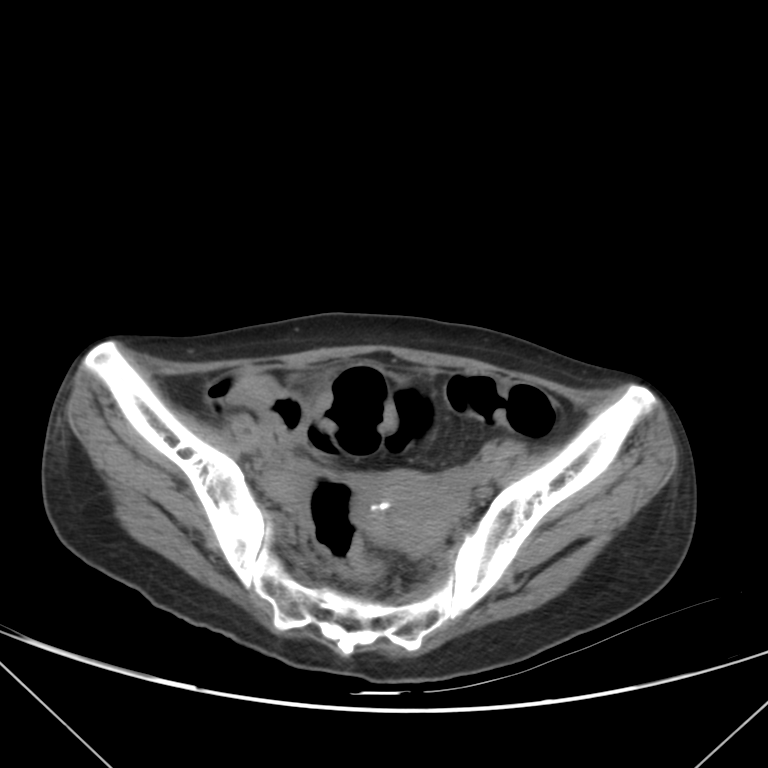 Computed tomography, abdomen — Axial slice 27/94
{"organs":{"prostate/uterus":[364,470,451,554]}}